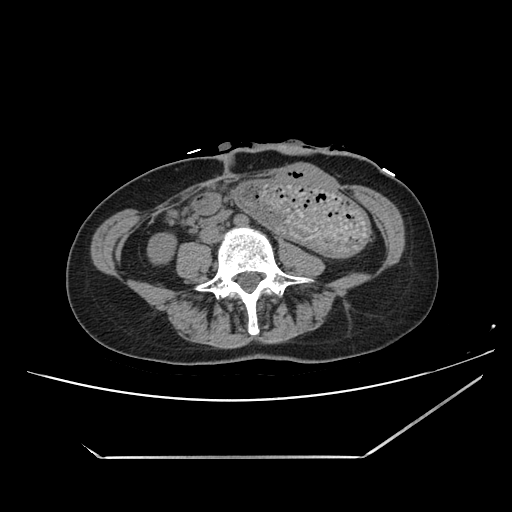
Computed tomography, abdomen. axial view. 512x512 px. scan has 14 labeled organs (a whole-scan count: organs this slice does not pass through have no box)
{"organs":{"right kidney":[147,232,176,264],"stomach":[237,179,371,255]}}